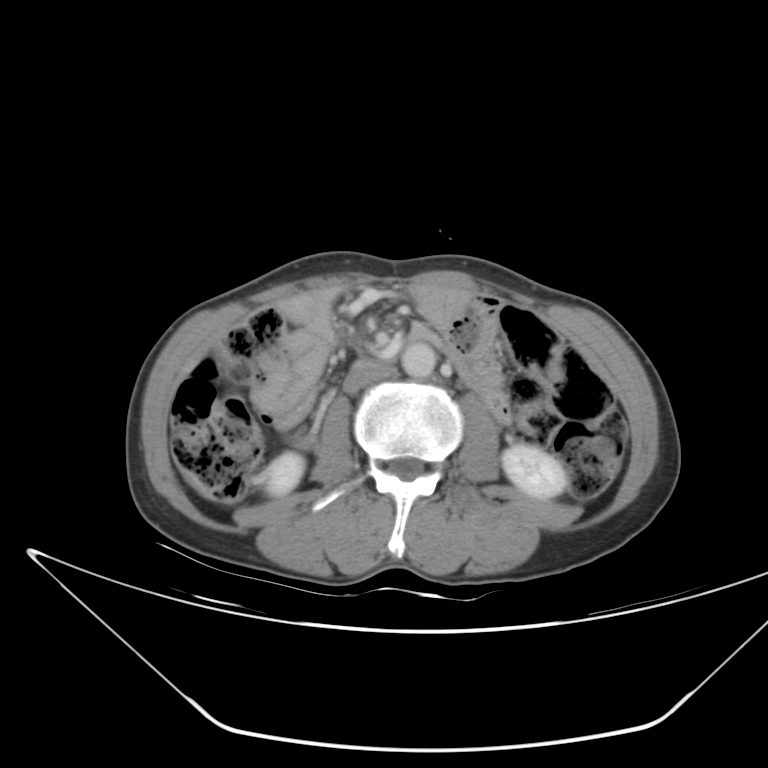

Abdominal CT; Axial slice 25/104; 62-year-old male patient
Each box given as x1,y1,x2,y2.
aorta: x1=401, y1=341, x2=435, y2=378
right kidney: x1=264, y1=450, x2=305, y2=496
inferior vena cava: x1=342, y1=363, x2=396, y2=390
left kidney: x1=502, y1=441, x2=568, y2=498